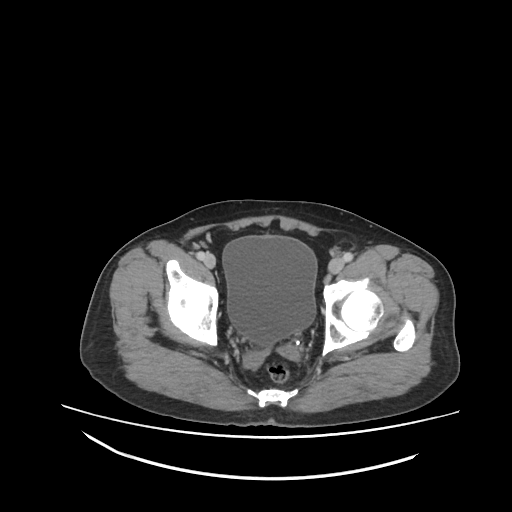 Abdominal CT. axial view. 512x512 px. 66-year-old male patient
Coordinates as <box>x1,y1,x2,y2</box> in pixels. The annotated organs in this slice are: bladder at <box>222,236,316,345</box>.